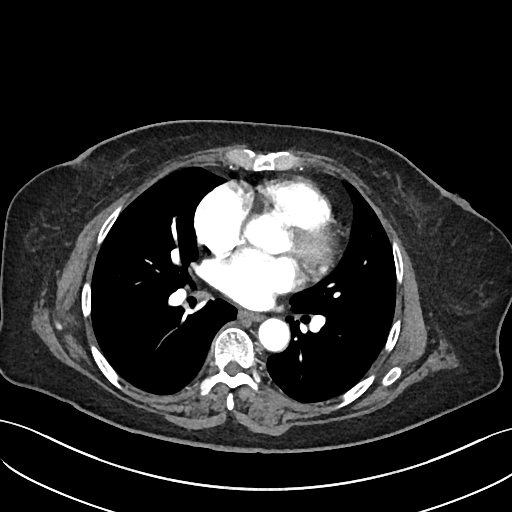

Chest-level CT slice, above the liver and spleen; axial view; soft-tissue window; acquired on SOMATOM Force; scan has 15 labeled organs (that count is for the whole scan; organs this slice misses have no box)
On a slice this high in the chest, this dataset labels only the esophagus and the aorta, and each is boxed only where it is labeled; the heart, lungs and other chest structures are not labeled.
One row per box, in pixels: columns x1 and y1 give the top-left corner, x2 and y2 the bottom-right.
| organ | x1 | y1 | x2 | y2 |
|---|---|---|---|---|
| esophagus | 240 | 312 | 262 | 321 |
| aorta | 258 | 319 | 289 | 352 |